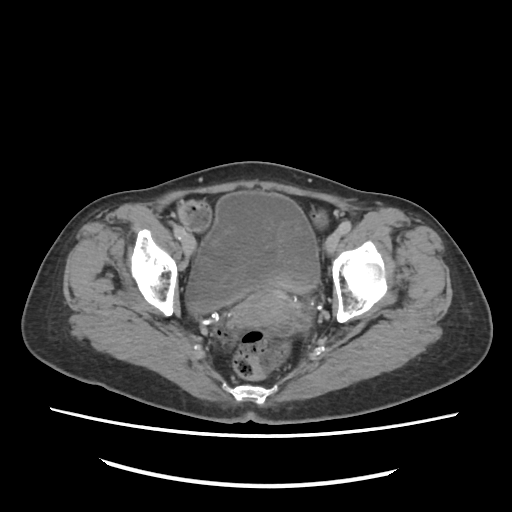
Computed tomography, abdomen · axial view · soft-tissue window
Bounding boxes in pixels, one row per box: x1, y1 is the top-left corner and x2, y2 the bottom-right.
| organ | x1 | y1 | x2 | y2 |
|---|---|---|---|---|
| bladder | 185 | 189 | 319 | 312 |
| prostate/uterus | 237 | 290 | 291 | 324 |